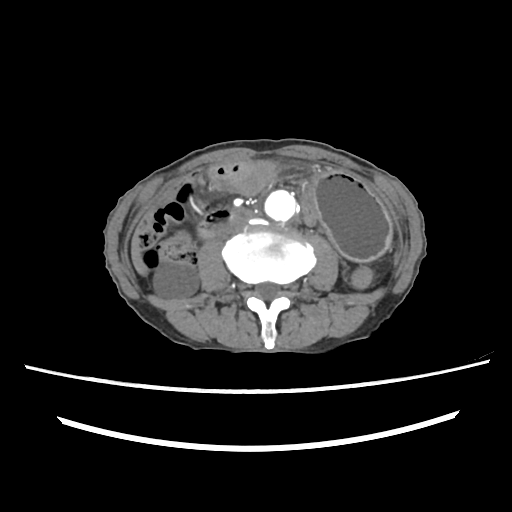

Abdominal CT — axial view — scan has 15 labeled organs (that count is for the whole scan; organs this slice misses have no box)
{"organs":{"right kidney":[153,260,197,298],"liver":[132,238,148,275],"stomach":[208,160,389,262],"aorta":[262,190,299,225],"inferior vena cava":[221,221,241,236],"duodenum":[198,209,236,238]}}